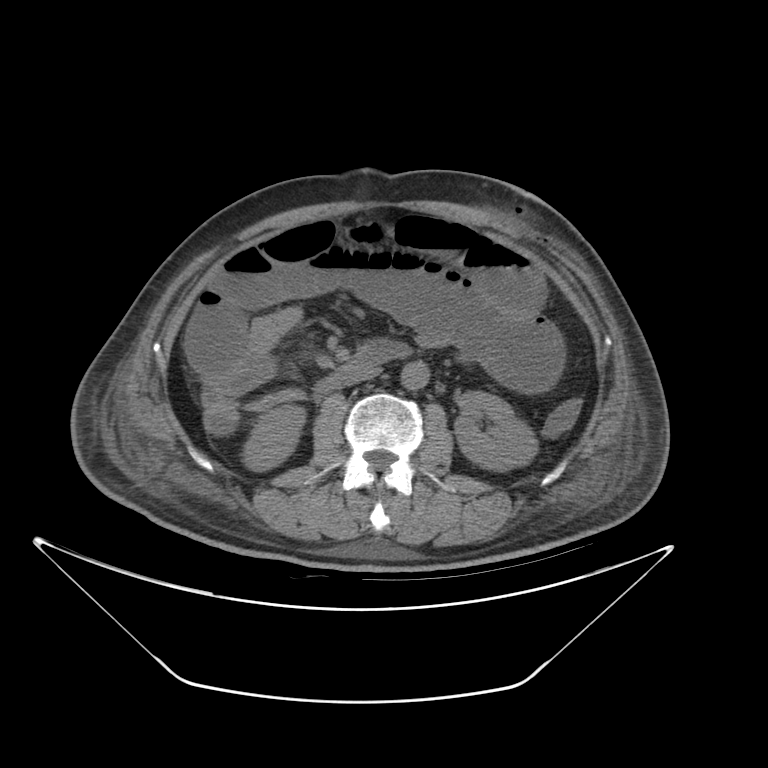 CT, abdomen/pelvis. axial view. soft-tissue window (W 400 / L 40). Brilliance16 scanner. scan has 15 labeled organs (counted over the whole 3D scan, not this slice; an organ is boxed only where this slice passes through it)
<organs><organ name="right kidney" x1="244" y1="405" x2="303" y2="467"/><organ name="aorta" x1="399" y1="362" x2="428" y2="390"/><organ name="left kidney" x1="454" y1="388" x2="535" y2="471"/><organ name="inferior vena cava" x1="342" y1="370" x2="378" y2="389"/><organ name="duodenum" x1="310" y1="341" x2="415" y2="399"/></organs>